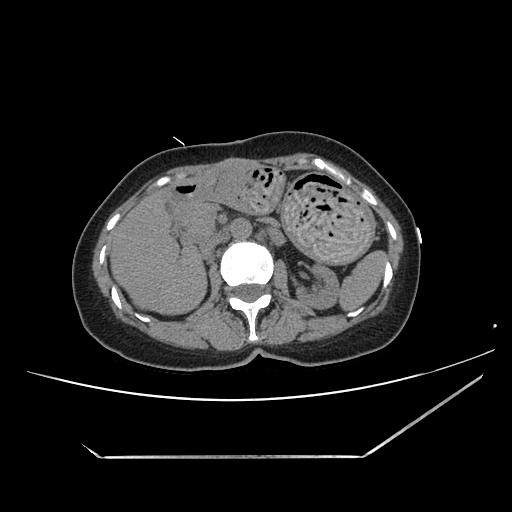

Abdominal CT · Axial slice 100/143
Boxes are (x1, y1, x2, y2) in pixels.
spleen: (338, 250, 387, 312)
left kidney: (296, 263, 339, 309)
liver: (111, 186, 207, 314)
stomach: (173, 160, 373, 262)
aorta: (231, 219, 252, 240)
inferior vena cava: (200, 236, 221, 258)
pancreas: (179, 198, 278, 240)
duodenum: (167, 187, 191, 242)